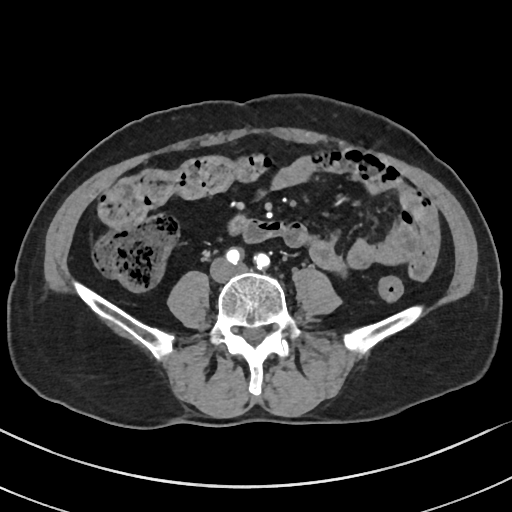
Computed tomography, abdomen; axial view; W/L 400/40 HU
Coordinates as <box>x1,y1,x2,y2</box> in pixels. The annotated organs in this slice are: duodenum at <box>230,216,247,231</box>.